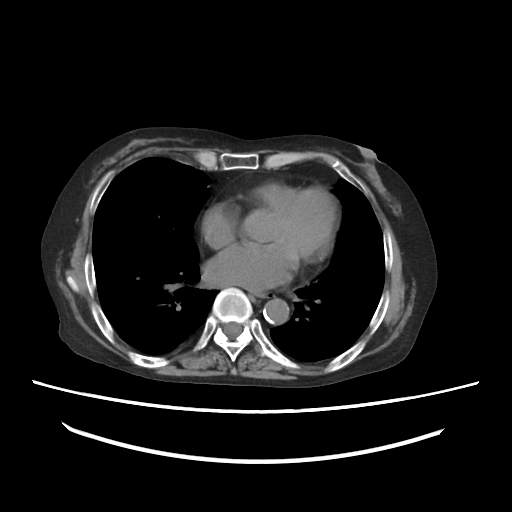

Abdominal CT; this slice is in the lower chest, just above the liver · axial view · soft-tissue window, W/L 400/40 · acquired on Aquilion ONE
The heart and lungs are never labeled in this dataset, so they have no box on this slice.
Coordinates as <box>x1,y1,x2,y2</box> in pixels.
esophagus: <box>260,293,273,299</box>
aorta: <box>263,298,289,324</box>